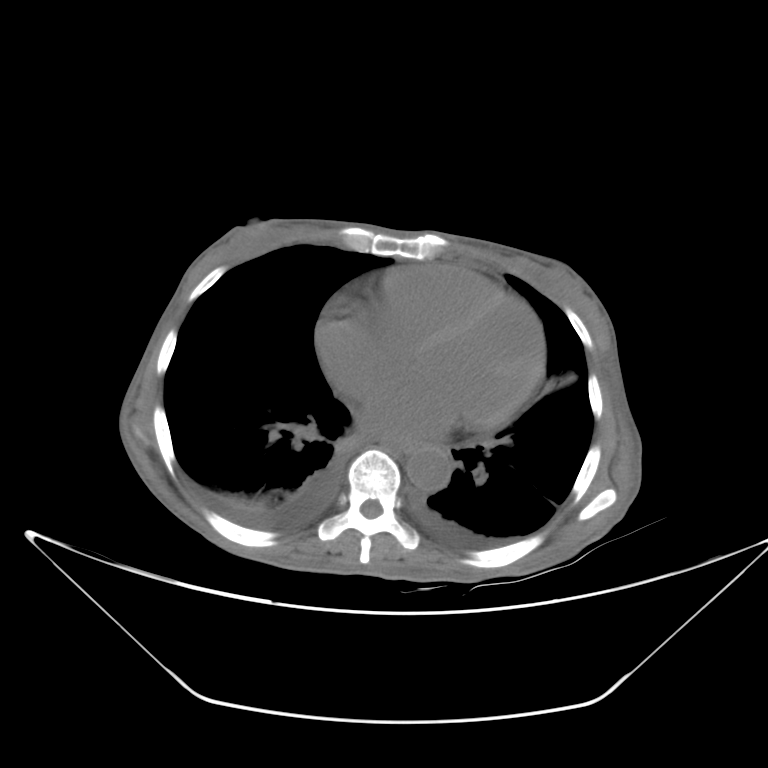

CT of the abdomen reaching into the lower chest, slice just above the liver and spleen · axial view · 56-year-old female patient
The heart and lungs are never labeled in this dataset, so they have no box on this slice.
<organs><organ name="aorta" x1="405" y1="444" x2="452" y2="492"/><organ name="esophagus" x1="385" y1="439" x2="417" y2="454"/></organs>